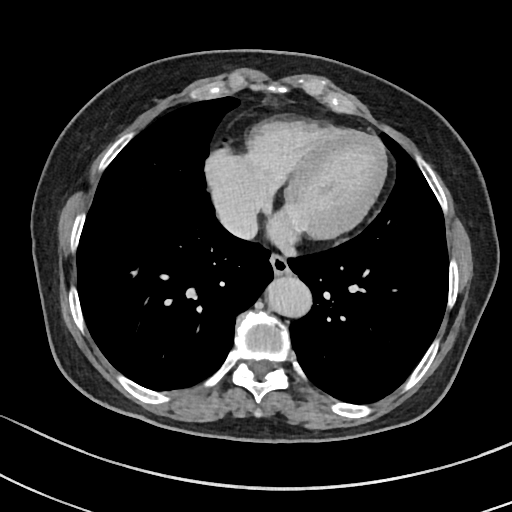 CT of the abdomen reaching into the lower chest, slice just above the liver and spleen. axial view. 512x512 px. SOMATOM Force scanner
No part of the heart or lungs is labeled in this dataset, so neither has a box here.
Boxes are (x1, y1, x2, y2) in pixels.
Organ bounding boxes:
- aorta: (264, 275, 309, 316)
- inferior vena cava: (219, 204, 259, 238)
- esophagus: (270, 252, 290, 274)